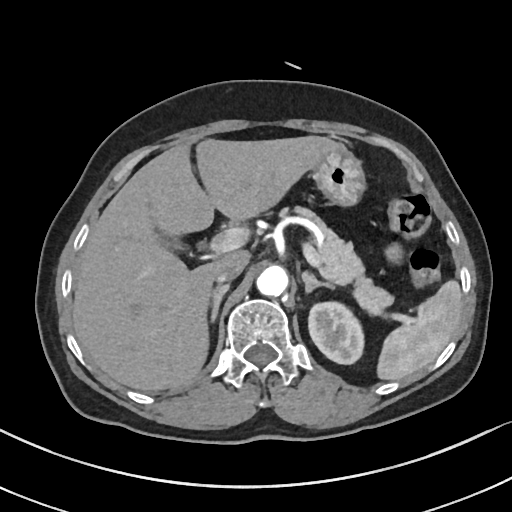
CT abdomen; axial plane, index 162; 512x512 px
Boxes: x1:y1:x2:y2 in pixels. Labeled organs on this slice: liver at 72:135:343:392, left adrenal gland at 302:272:335:295, inferior vena cava at 215:261:245:285, spleen at 375:279:461:381, gall bladder at 166:240:176:246, right adrenal gland at 212:285:230:321, pancreas at 297:209:394:311, stomach at 313:147:367:206, aorta at 256:265:288:297, left kidney at 309:303:362:363.